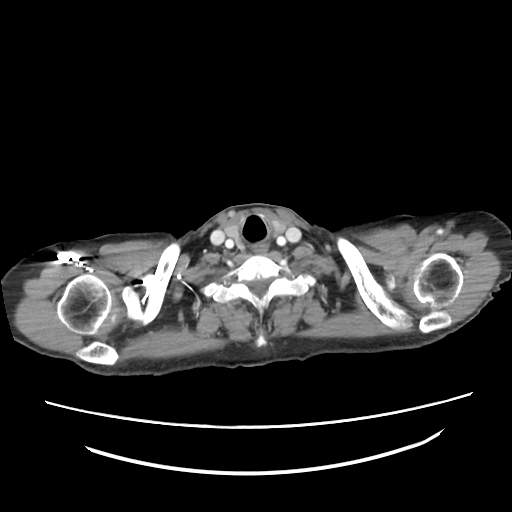

Chest-level CT slice, above the liver and spleen — axial plane, index 133 — Aquilion ONE scanner — scan has 15 labeled organs (a whole-scan count: organs this slice does not pass through have no box)
On a slice this high in the chest, this dataset labels only the esophagus and the aorta, and each is boxed only where it is labeled; the heart, lungs and other chest structures are not labeled.
{"organs":{"esophagus":[253,244,266,253]}}